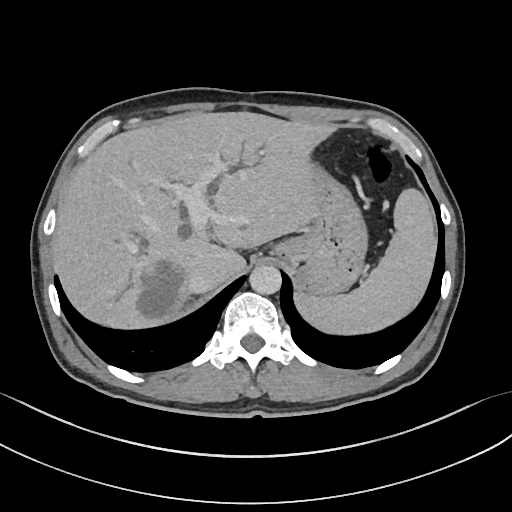
Abdominal CT; axial view; 512x512 px
Each box given as x1,y1,x2,y2. 5 labeled organs on this slice — spleen at x1=294, y1=189, x2=437, y2=337; liver at x1=51, y1=111, x2=330, y2=329; stomach at x1=277, y1=161, x2=367, y2=295; aorta at x1=249, y1=266, x2=281, y2=294; inferior vena cava at x1=187, y1=272, x2=219, y2=294.